Computed tomography, abdomen; axial view; soft-tissue window
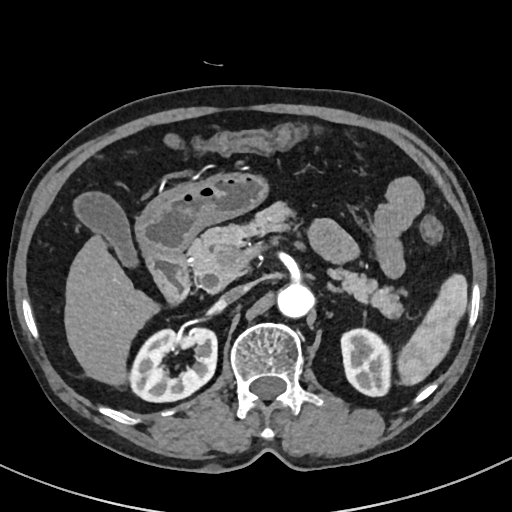

Box edges are left/top/right/bottom in pixels. Labeled organs on this slice: spleen at left=397, top=274, right=467, bottom=387, right kidney at left=130, top=326, right=217, bottom=401, left kidney at left=341, top=329, right=390, bottom=395, gall bladder at left=75, top=193, right=137, bottom=268, liver at left=64, top=234, right=157, bottom=386, stomach at left=135, top=170, right=270, bottom=256, aorta at left=276, top=283, right=312, bottom=319, inferior vena cava at left=213, top=285, right=248, bottom=310, pancreas at left=189, top=203, right=402, bottom=320, left adrenal gland at left=327, top=283, right=341, bottom=290, duodenum at left=147, top=250, right=189, bottom=301.